Computed tomography, abdomen. axial view. scan has 15 labeled organs (counted over the whole 3D scan, not this slice; an organ is boxed only where this slice passes through it)
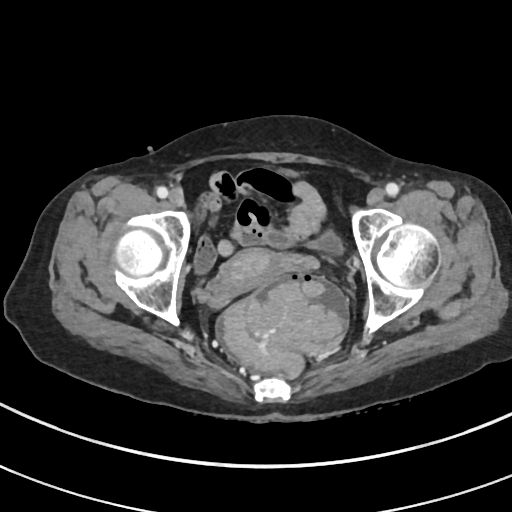

Box edges are left/top/right/bottom in pixels. The annotated organs in this slice are: bladder at left=281, top=168, right=344, bottom=254, prostate/uterus at left=216, top=248, right=292, bottom=296.